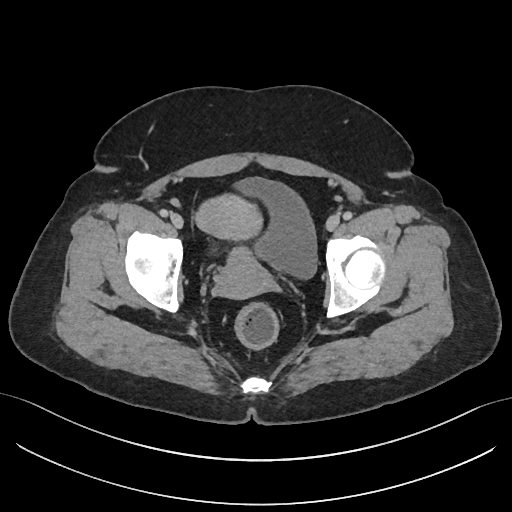 Abdominal CT. axial plane, index 40
Bounding boxes in pixels, one row per box: x1, y1 is the top-left corner and x2, y2 the bottom-right.
| organ | x1 | y1 | x2 | y2 |
|---|---|---|---|---|
| bladder | 239 | 178 | 317 | 277 |
| prostate/uterus | 195 | 194 | 269 | 298 |